CT abdomen. axial plane, index 83. 768x768 px. acquired on Brilliance16. 15 organs annotated in this scan (a whole-scan count: organs this slice does not pass through have no box)
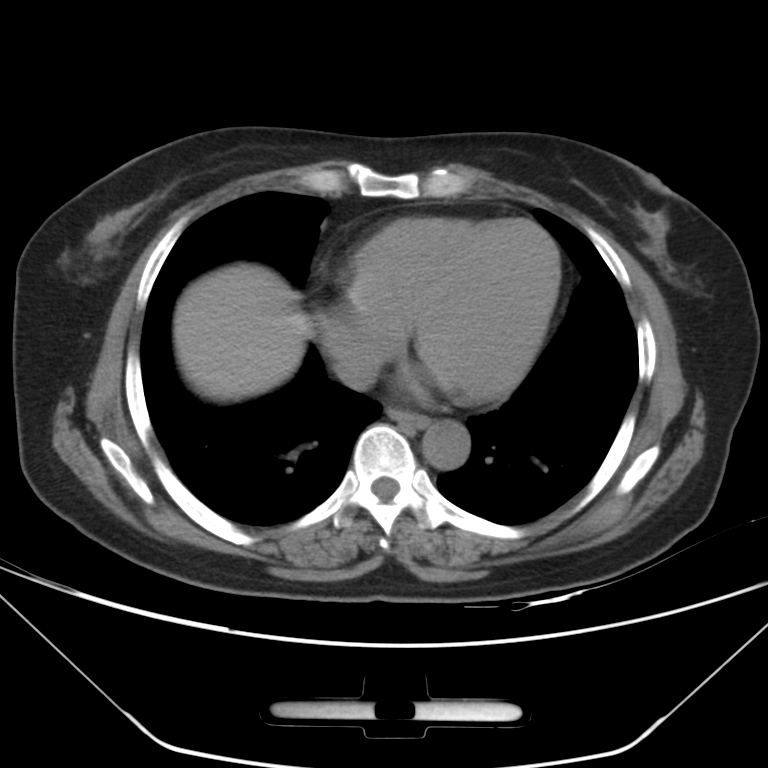

{"organs":{"esophagus":[388,408,428,428],"liver":[173,263,311,400],"aorta":[421,419,469,469],"inferior vena cava":[334,345,381,389]}}